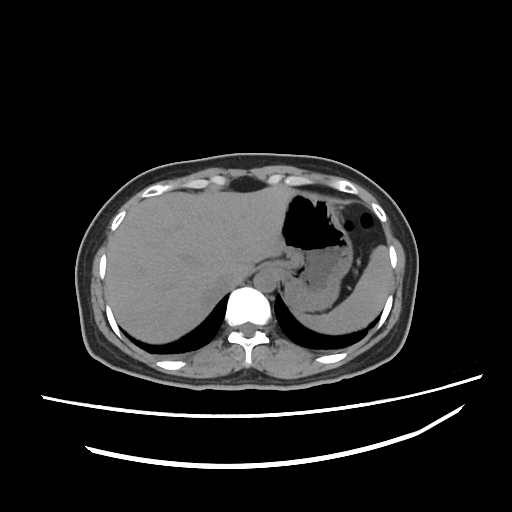
CT abdomen · axial view · soft-tissue window (W 400 / L 40) · 512x512 px
Each box given as x1,y1,x2,y2. Labeled organs on this slice: spleen at x1=292, y1=246, x2=390, y2=335, esophagus at x1=260, y1=263, x2=282, y2=274, liver at x1=105, y1=183, x2=294, y2=343, stomach at x1=279, y1=190, x2=351, y2=312, aorta at x1=253, y1=273, x2=274, y2=291, inferior vena cava at x1=217, y1=269, x2=242, y2=295.